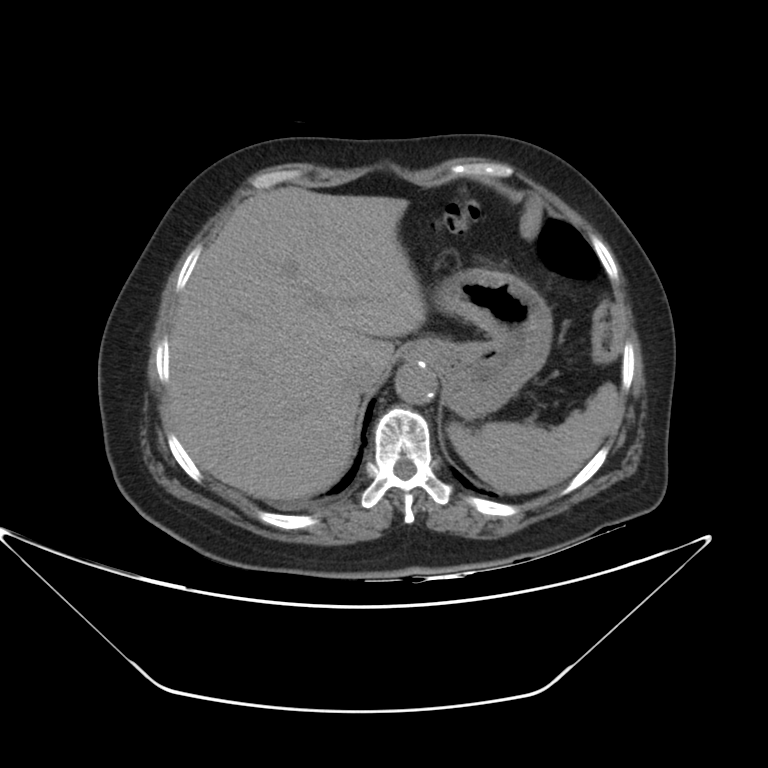 Abdominal CT; Axial slice 79/97
Bounding boxes as [x1, y1, x2, y2] in pixel coordinates.
spleen: [447, 383, 620, 493]
liver: [166, 186, 426, 500]
stomach: [408, 268, 551, 418]
aorta: [395, 361, 437, 405]
inferior vena cava: [349, 356, 384, 388]